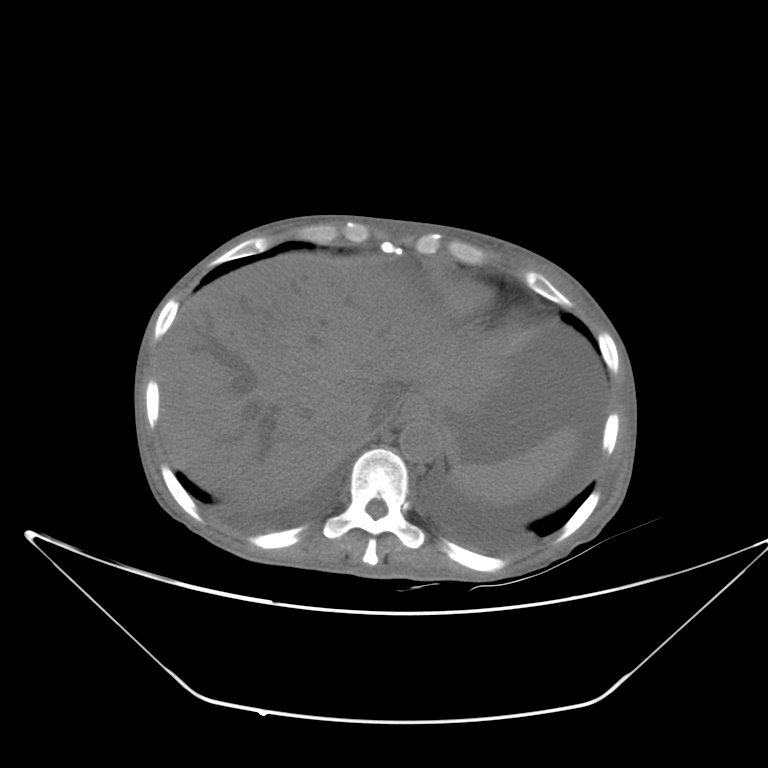

CT, abdomen/pelvis — axial plane, index 90
{"organs":{"stomach":[486,457,488,460],"inferior vena cava":[326,403,372,444],"spleen":[450,427,578,504],"liver":[158,254,474,510],"esophagus":[398,393,432,421],"aorta":[399,418,442,462]}}